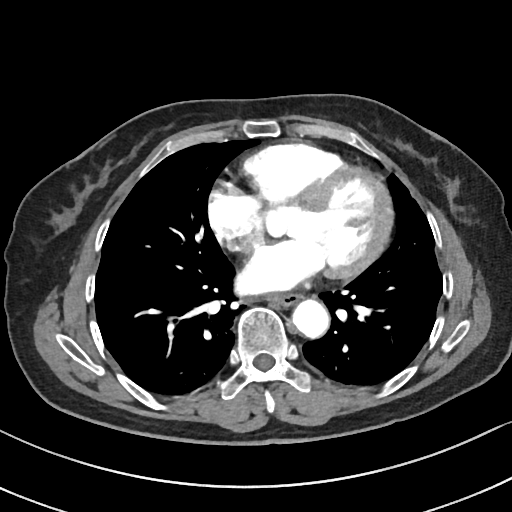
Abdominal CT; this slice is in the lower chest, just above the liver. axial plane, index 216. acquired on SOMATOM Force. scan has 15 labeled organs (that count is for the whole scan; organs this slice misses have no box)
The heart and lungs are never labeled in this dataset, so they have no box on this slice. Boxes: x1 y1 x2 y2 (pixel coords, space-separated). Labeled organs on this slice: aorta at 292 298 328 336, esophagus at 266 293 300 305.